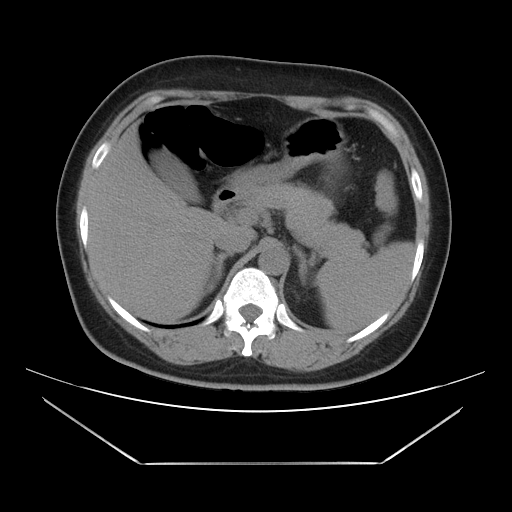

CT abdomen · axial view · soft-tissue window
<organs><organ name="spleen" x1="315" y1="241" x2="414" y2="332"/><organ name="gall bladder" x1="149" y1="148" x2="200" y2="202"/><organ name="liver" x1="88" y1="124" x2="255" y2="322"/><organ name="stomach" x1="229" y1="116" x2="346" y2="190"/><organ name="aorta" x1="258" y1="244" x2="288" y2="275"/><organ name="inferior vena cava" x1="215" y1="230" x2="250" y2="253"/><organ name="pancreas" x1="239" y1="182" x2="366" y2="258"/><organ name="right adrenal gland" x1="207" y1="253" x2="232" y2="292"/><organ name="left adrenal gland" x1="297" y1="250" x2="308" y2="284"/><organ name="duodenum" x1="212" y1="185" x2="243" y2="214"/></organs>